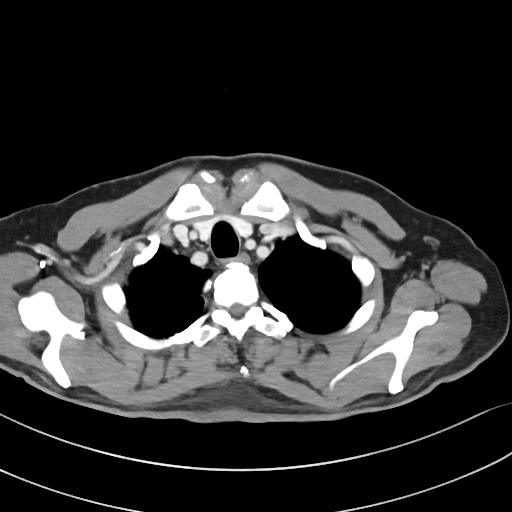

Chest-level CT slice, above the liver and spleen · Axial slice 118/128 · soft-tissue window · scan has 15 labeled organs (counted over the whole 3D scan, not this slice; an organ is boxed only where this slice passes through it)
At this level of the chest this dataset labels only the esophagus and the aorta, and each is boxed only where it is labeled; the heart and lungs are never labeled.
Boxes: x1:y1:x2:y2 in pixels.
esophagus: 222:253:249:264